Abdominal CT — axial view — abdomen soft-tissue window
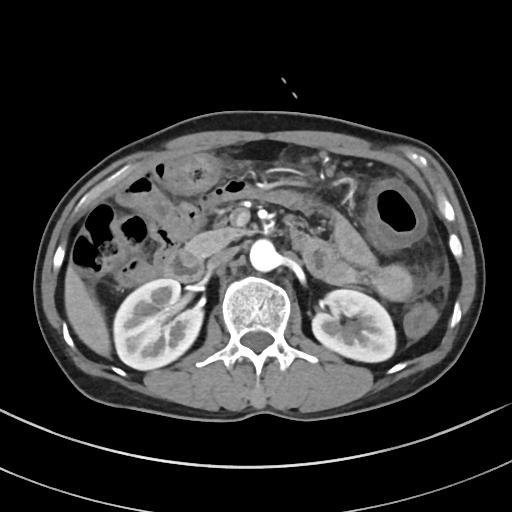
One row per box, in pixels: columns x1 and y1 give the top-left corner, x2 and y2 the bottom-right.
| organ | x1 | y1 | x2 | y2 |
|---|---|---|---|---|
| inferior vena cava | 207 | 247 | 237 | 269 |
| pancreas | 184 | 226 | 247 | 258 |
| duodenum | 163 | 228 | 307 | 282 |
| liver | 64 | 263 | 110 | 356 |
| right kidney | 113 | 278 | 203 | 370 |
| left kidney | 312 | 289 | 395 | 362 |
| aorta | 249 | 239 | 277 | 271 |